CT abdomen; axial view; soft-tissue window (W 400 / L 40); 512x512 px
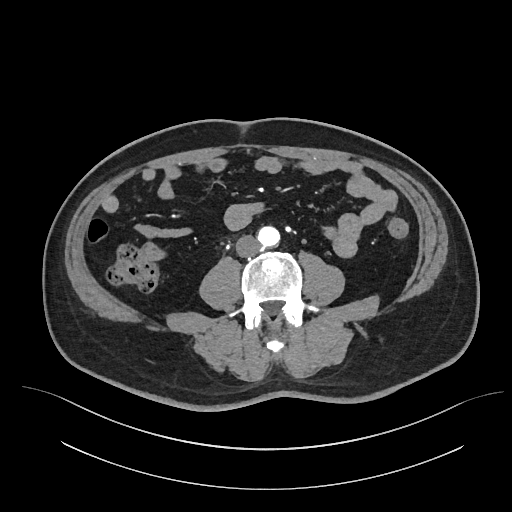
Coordinates as <box>x1,y1,x2,y2</box> in pixels.
aorta: <box>257,226,279,246</box>
inferior vena cava: <box>236,235,260,257</box>